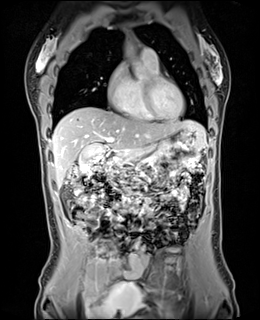

Abdominal MRI · coronal view
Box edges are left/top/right/bottom in pixels. Labeled organs on this slice: stomach at left=125, top=127, right=204, bottom=153, pancreas at left=107, top=149, right=148, bottom=176, duodenum at left=105, top=151, right=122, bottom=164, gall bladder at left=78, top=145, right=104, bottom=172, aorta at left=129, top=58, right=148, bottom=78, aorta at left=123, top=45, right=136, bottom=56, liver at left=52, top=107, right=205, bottom=187.